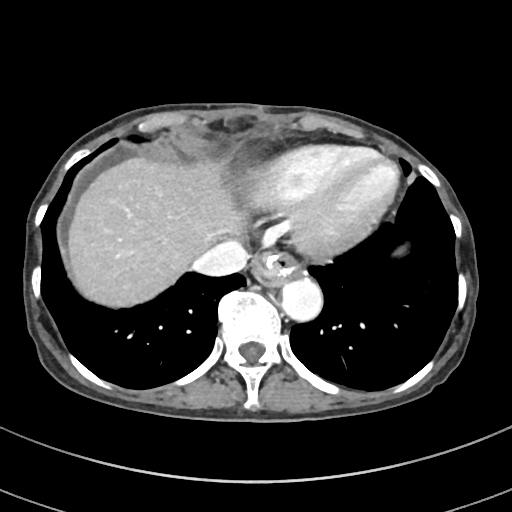

Abdominal CT; axial view
Boxes: x1:y1:x2:y2 in pixels.
Organ bounding boxes:
- esophagus: 253:253:302:287
- liver: 69:159:245:305
- inferior vena cava: 193:242:247:276
- aorta: 282:278:323:322